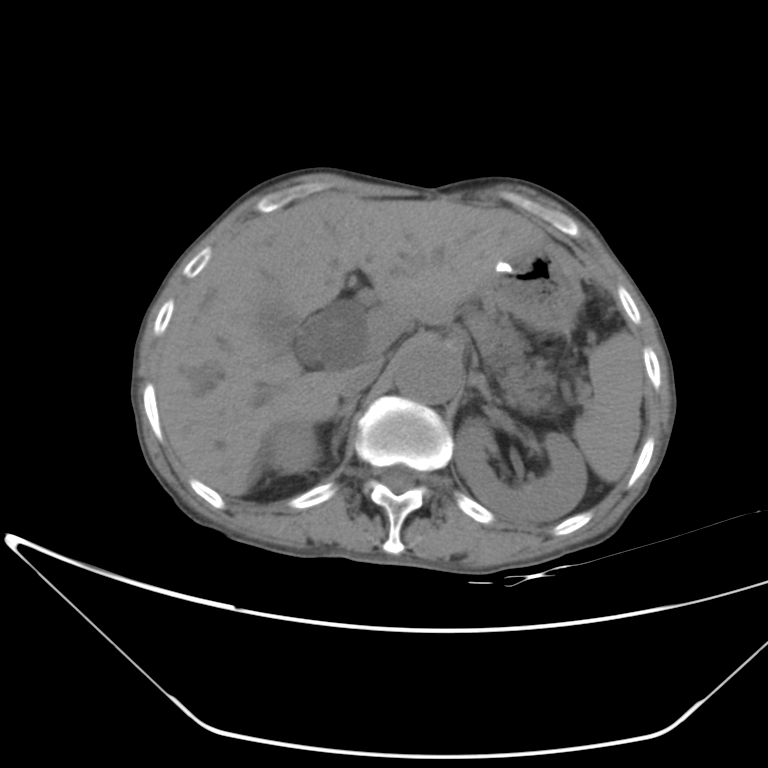
Abdominal CT; axial plane, index 63; abdomen soft-tissue window
Each box given as x1,y1,x2,y2. The annotated organs in this slice are: spleen at x1=573, y1=331, x2=644, y2=481, right kidney at x1=268, y1=422, x2=319, y2=473, left kidney at x1=456, y1=417, x2=587, y2=522, liver at x1=156, y1=195, x2=548, y2=496, stomach at x1=487, y1=244, x2=584, y2=332, aorta at x1=395, y1=343, x2=462, y2=403, inferior vena cava at x1=339, y1=357, x2=382, y2=397, pancreas at x1=478, y1=301, x2=550, y2=410, right adrenal gland at x1=330, y1=396, x2=358, y2=452, left adrenal gland at x1=467, y1=371, x2=489, y2=397.